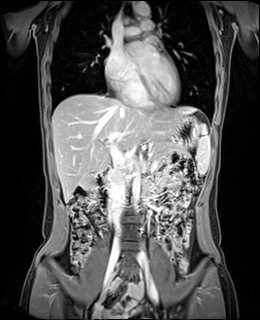

MRI, abdomen — coronal view — 13 organs annotated in this scan (a whole-scan count: organs this slice does not pass through have no box)
Coordinates as <box>x1,y1,x2,y2</box> in pixels.
Organ bounding boxes:
- spleen: <box>197,124,210,174</box>
- right kidney: <box>92,195,94,197</box>
- gall bladder: <box>80,176,94,189</box>
- esophagus: <box>132,2,137,6</box>
- liver: <box>52,94,197,202</box>
- stomach: <box>176,115,201,146</box>
- aorta: <box>132,171,139,210</box>
- aorta: <box>133,3,150,16</box>
- inferior vena cava: <box>110,164,128,233</box>
- pancreas: <box>152,142,190,159</box>
- duodenum: <box>95,169,110,212</box>